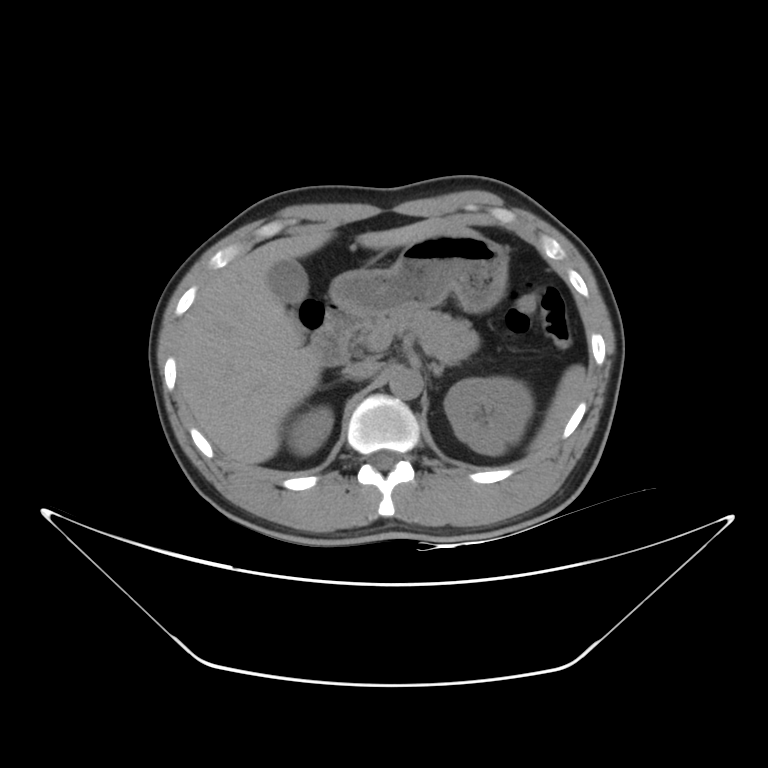
Computed tomography, abdomen · Axial slice 74/96
Boxes: x1:y1:x2:y2 in pixels.
duodenum: 308:303:360:365
left adrenal gland: 429:364:443:376
inferior vena cava: 343:360:378:378
gall bladder: 268:260:307:304
right adrenal gland: 343:377:349:378
aorta: 389:368:421:399
spleen: 530:364:585:450
stomach: 330:234:507:317
left kidney: 444:377:533:455
pancreas: 356:308:479:364
right kidney: 293:410:333:452
liver: 177:217:477:464